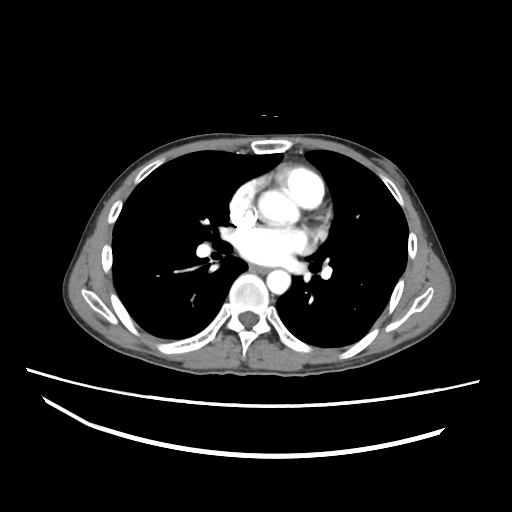
Chest-level slice from an abdominal CT that extends up into the chest; Axial slice 108/140
On a slice this high in the chest, this dataset labels only the esophagus and the aorta, and each is boxed only where it is labeled; the heart, lungs and other chest structures are not labeled.
Coordinates as <box>x1,y1,x2,y2</box> in pixels.
Organ bounding boxes:
- esophagus: <box>249,265,268,273</box>
- aorta: <box>266,269,290,294</box>
- aorta: <box>259,195,291,215</box>